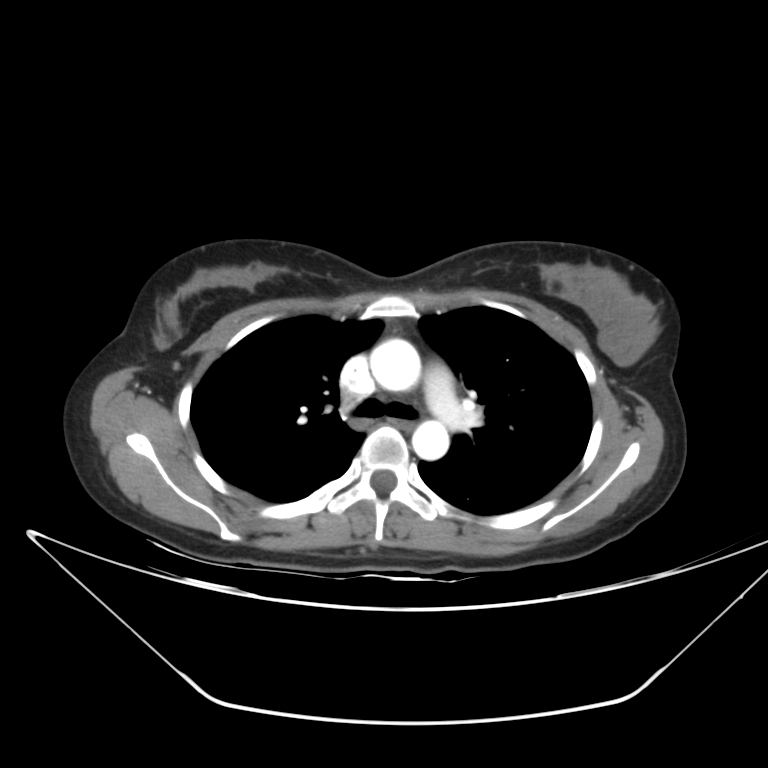 Chest-level CT slice, above the liver and spleen; axial view; 768x768 px; acquired on Brilliance16
On a slice this high in the chest, this dataset labels only the esophagus and the aorta, and each is boxed only where it is labeled; the heart, lungs and other chest structures are not labeled. Boxes: x1:y1:x2:y2 in pixels. Labeled organs on this slice: esophagus at 395:417:412:429, aorta at 370:338:420:391, aorta at 412:420:449:460.